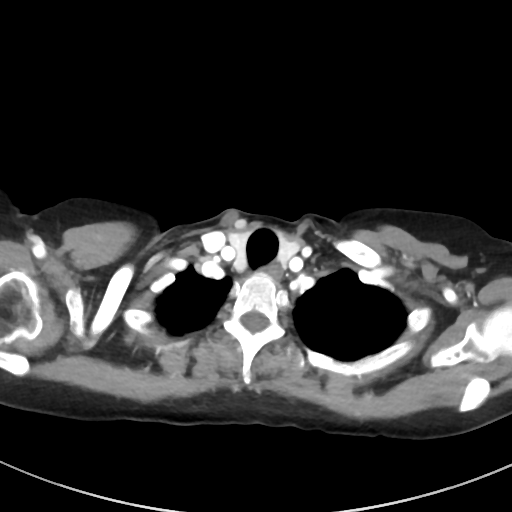
CT of the abdomen extending into the chest, slice through the chest — axial view
At this level of the chest this dataset labels only the esophagus and the aorta, and each is boxed only where it is labeled; the heart and lungs are never labeled.
Boxes: x1:y1:x2:y2 in pixels.
Organ bounding boxes:
- esophagus: 261:261:281:279